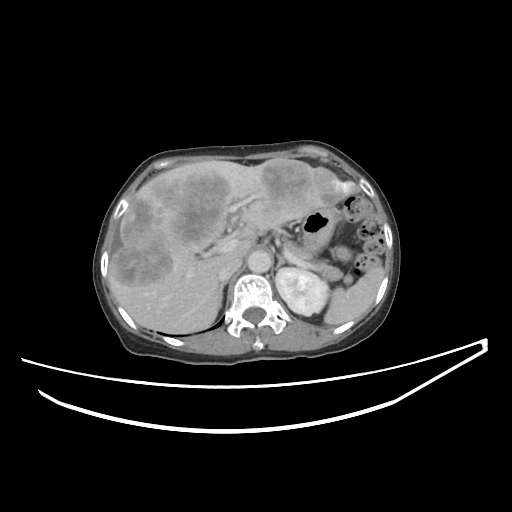
CT, abdomen/pelvis — Axial slice 69/116 — 512x512 px — 62-year-old female patient — acquired on Aquilion ONE
Boxes: x1:y1:x2:y2 in pixels.
stomach: 299:201:338:252
liver: 108:157:357:333
spleen: 324:265:383:324
right adrenal gland: 218:280:227:306
inferior vena cava: 218:258:241:280
aorta: 247:250:271:273
pancreas: 284:241:343:280
left adrenal gland: 276:255:286:269
left kidney: 275:268:328:315